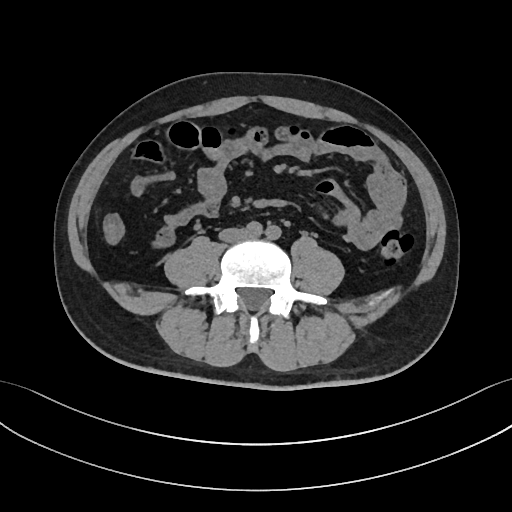
CT abdomen. axial plane, index 104. soft-tissue window. 15 organs annotated in this scan (that count is for the whole scan; organs this slice misses have no box)
Coordinates as <box>x1,y1,x2,y2</box> in pixels.
Organ bounding boxes:
- inferior vena cava: <box>219,229,246,241</box>